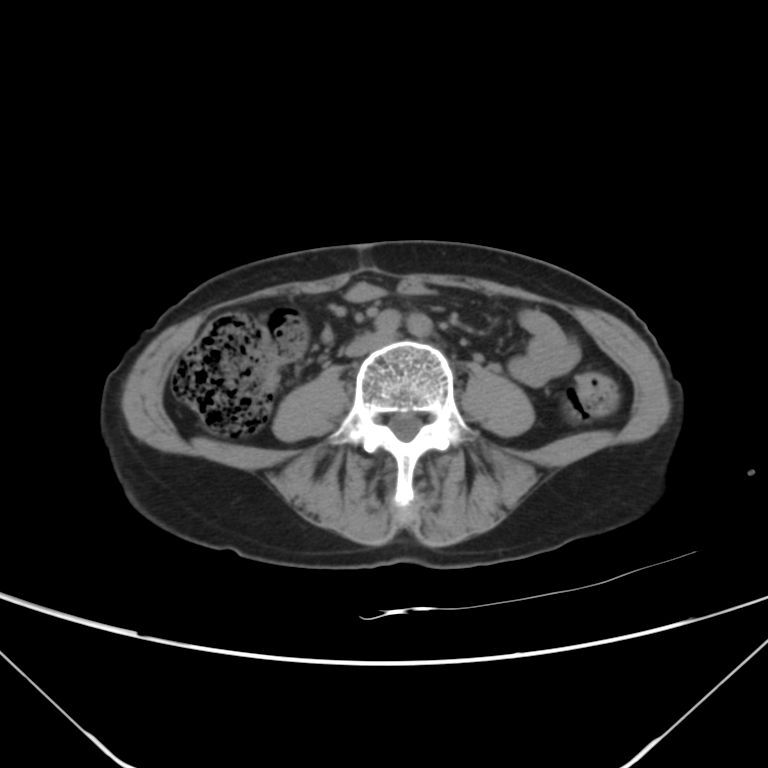 CT abdomen. axial plane, index 47. soft-tissue window (W 400 / L 40). 63-year-old female patient. scan has 15 labeled organs (that count is for the whole scan; organs this slice misses have no box)
{"organs":{"aorta":[384,336,392,336]}}